CT abdomen. axial plane, index 86. 52-year-old male patient
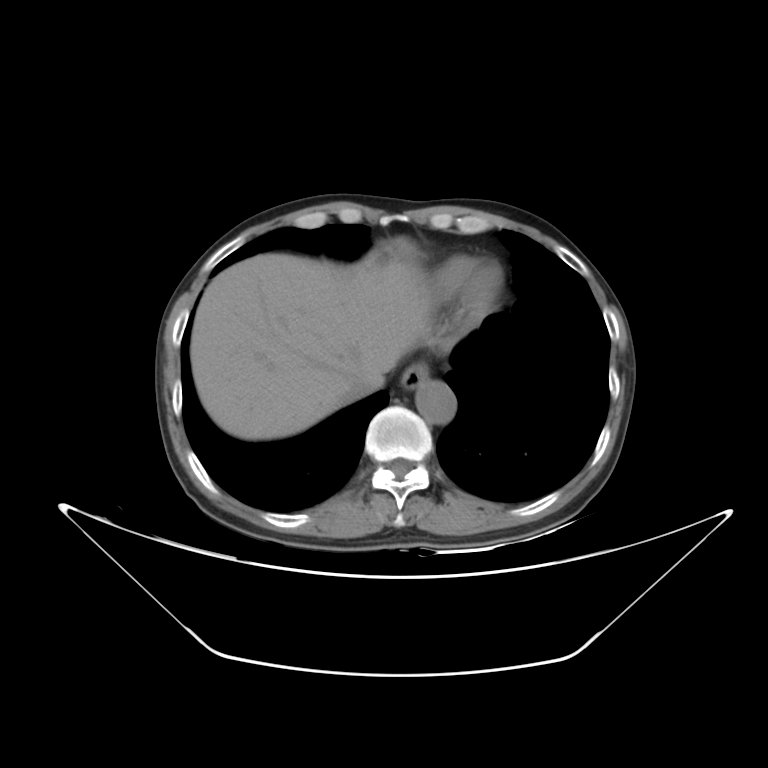

Box edges are left/top/right/bottom in pixels.
Organ bounding boxes:
- esophagus: left=400, top=363, right=429, bottom=390
- liver: left=190, top=253, right=430, bottom=439
- aorta: left=415, top=379, right=456, bottom=424
- inferior vena cava: left=340, top=383, right=381, bottom=403